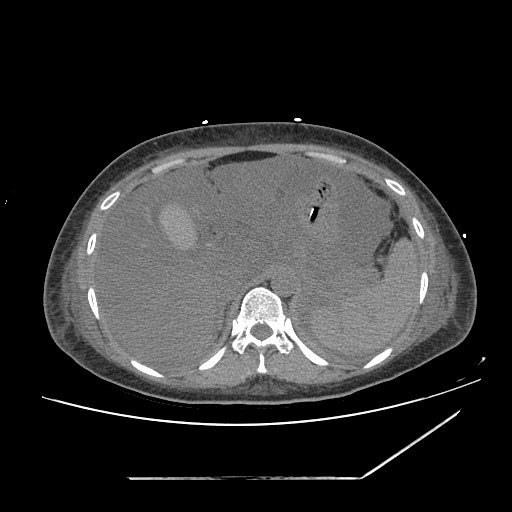
Abdominal CT — Axial slice 142/191
Coordinates as <box>x1,y1,x2,y2</box> in pixels. The annotated organs in this slice are: stomach at <box>295,177,336,245</box>, aorta at <box>272,271,296,296</box>, gall bladder at <box>161,206,197,250</box>, spleen at <box>306,238,418,355</box>, right adrenal gland at <box>216,307,224,331</box>, inferior vena cava at <box>220,270,253,302</box>, liver at <box>94,150,301,370</box>.